Computed tomography, abdomen — axial view — soft-tissue window
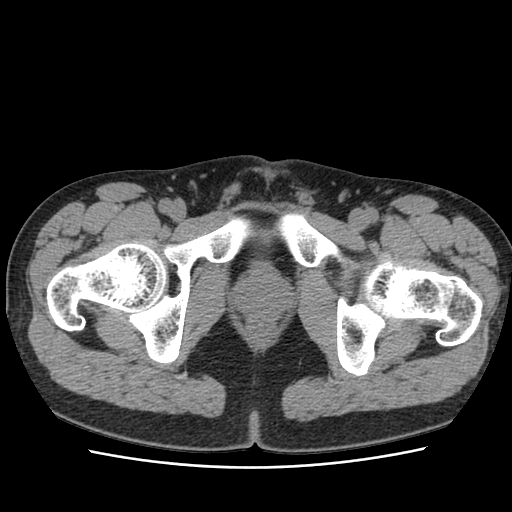

Bounding boxes as [x1, y1, x2, y2] in pixel coordinates.
prostate/uterus: [233, 269, 291, 320]